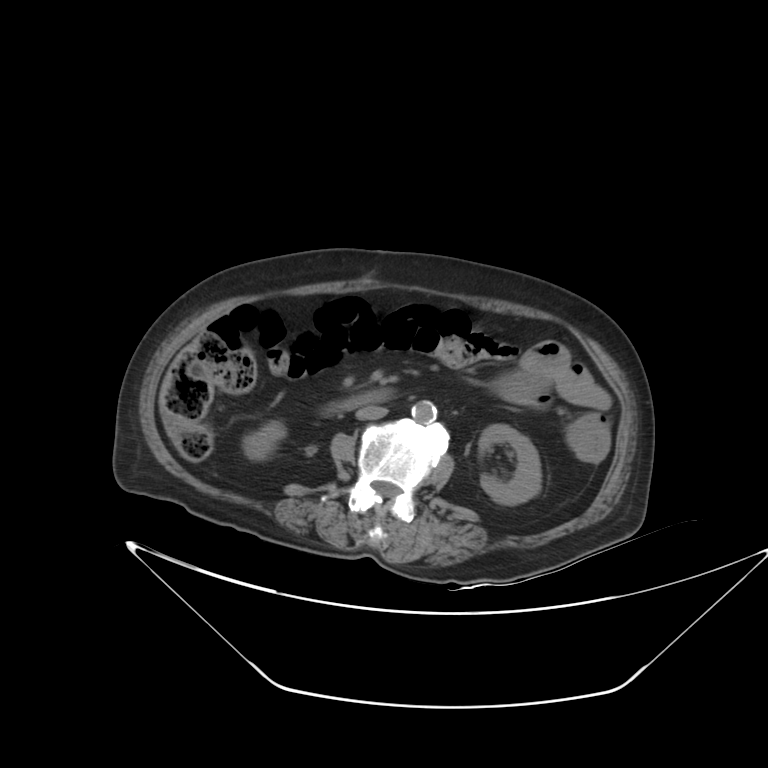

CT abdomen; axial plane, index 58; 80-year-old female patient; acquired on Brilliance16; scan has 15 labeled organs (that count is for the whole scan; organs this slice misses have no box)
Boxes are (x1, y1, x2, y2) in pixels.
Organ bounding boxes:
- duodenum: (341, 389, 391, 408)
- right kidney: (242, 420, 286, 460)
- left kidney: (479, 424, 541, 504)
- aorta: (411, 400, 437, 423)
- inferior vena cava: (356, 406, 388, 419)